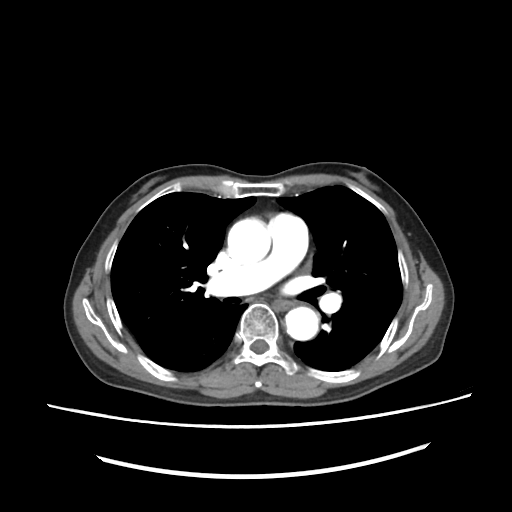
Abdominal CT reaching into the chest; this slice is in the chest · axial view · 512x512 px · scan has 15 labeled organs (a whole-scan count: organs this slice does not pass through have no box)
At this level of the chest no structure but the esophagus and the aorta has a label in this dataset, and those two are boxed only where they are labeled.
Coordinates as <box>x1,y1,x2,y2</box> in pixels.
esophagus: <box>272,300,293,310</box>
aorta: <box>227,217,271,262</box>
aorta: <box>284,306,318,340</box>